Abdominal CT · axial plane, index 101 · 512x512 px · scan has 15 labeled organs (a whole-scan count: organs this slice does not pass through have no box)
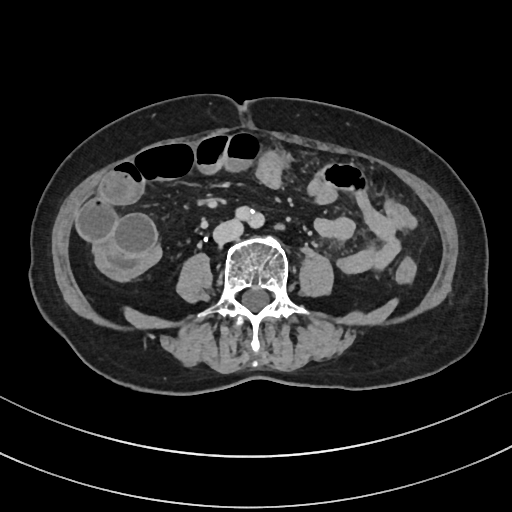

Coordinates as <box>x1,y1,x2,y2</box> in pixels. 2 labeled organs on this slice — aorta at <box>236,207,264,228</box>; inferior vena cava at <box>213,220,243,243</box>.